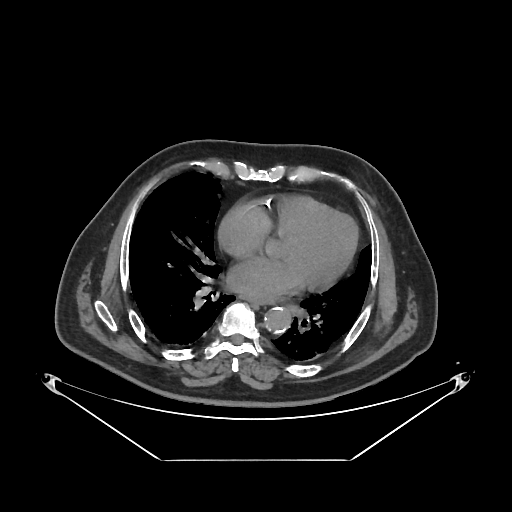
CT of the abdomen reaching into the lower chest, slice just above the liver and spleen — axial plane, index 348
Of the structures in the chest, this dataset labels only the esophagus, the aorta and the inferior vena cava; the heart and lungs have no label.
<organs><organ name="esophagus" x1="244" y1="296" x2="272" y2="303"/><organ name="aorta" x1="264" y1="306" x2="292" y2="332"/></organs>